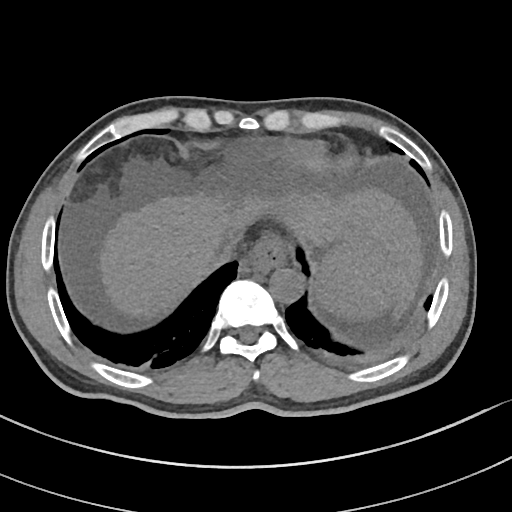

CT, abdomen/pelvis. axial view. 512x512 px
<organs><organ name="spleen" x1="315" y1="235" x2="395" y2="324"/><organ name="esophagus" x1="243" y1="239" x2="286" y2="269"/><organ name="liver" x1="97" y1="185" x2="423" y2="321"/><organ name="aorta" x1="268" y1="267" x2="302" y2="302"/><organ name="inferior vena cava" x1="208" y1="242" x2="235" y2="269"/></organs>